Abdominal CT · axial view · scan has 15 labeled organs (a whole-scan count: organs this slice does not pass through have no box)
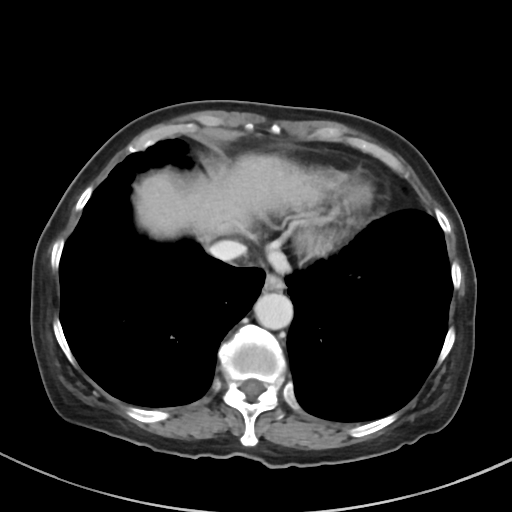
Bounding boxes in pixels, one row per box: x1, y1 is the top-left corner and x2, y2 the bottom-right.
| organ | x1 | y1 | x2 | y2 |
|---|---|---|---|---|
| inferior vena cava | 210 | 240 | 246 | 261 |
| esophagus | 263 | 273 | 283 | 291 |
| aorta | 254 | 293 | 293 | 329 |
| liver | 135 | 154 | 319 | 241 |